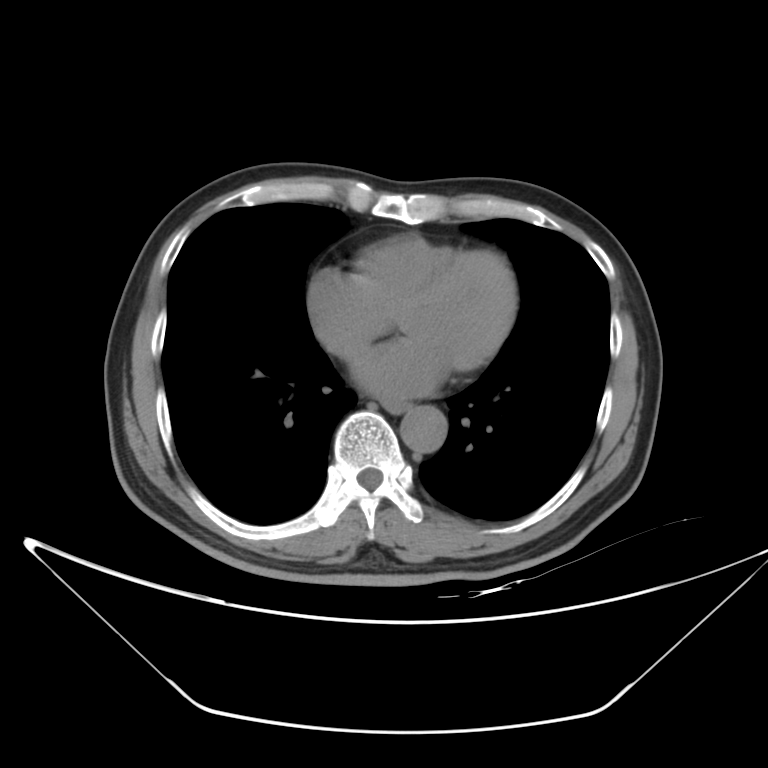 Lower-chest slice from an abdominal CT, just above the liver and spleen; axial view; 56-year-old male patient; 14 organs annotated in this scan (that count is for the whole scan; organs this slice misses have no box)
Of the structures in the chest, this dataset labels only the esophagus, the aorta and the inferior vena cava; the heart and lungs have no label.
Organ boxes in pixel coordinates; each row gives the top-left (x1, y1) and bottom-right (x2, y2) corners.
| organ | x1 | y1 | x2 | y2 |
|---|---|---|---|---|
| esophagus | 383 | 401 | 409 | 413 |
| aorta | 400 | 405 | 447 | 452 |